Computed tomography, abdomen. axial view. soft-tissue window
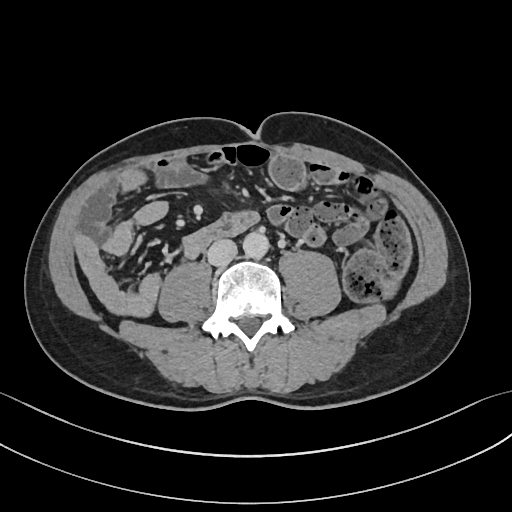
Bounding boxes as [x1, y1, x2, y2] in pixel coordinates.
aorta: [243, 231, 269, 258]
inferior vena cava: [207, 239, 237, 266]